CT, abdomen/pelvis; axial view; 512x512 px
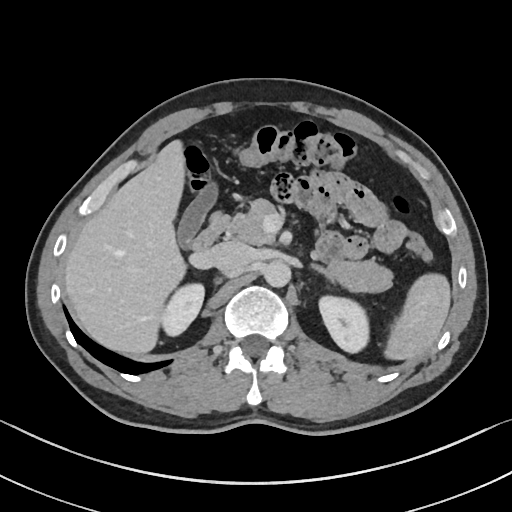

Box edges are left/top/right/bottom in pixels. The annotated organs in this slice are: spleen at left=386, top=275, right=450, bottom=360, right kidney at left=161, top=283, right=205, bottom=337, left kidney at left=317, top=294, right=369, bottom=353, gall bladder at left=177, top=182, right=218, bottom=244, liver at left=65, top=141, right=185, bottom=353, aorta at left=264, top=259, right=291, bottom=286, inferior vena cava at left=209, top=241, right=251, bottom=273, pancreas at left=227, top=199, right=391, bottom=291, left adrenal gland at left=312, top=263, right=334, bottom=279, duodenum at left=191, top=212, right=229, bottom=252.